Abdominal CT; axial view; 512x512 px
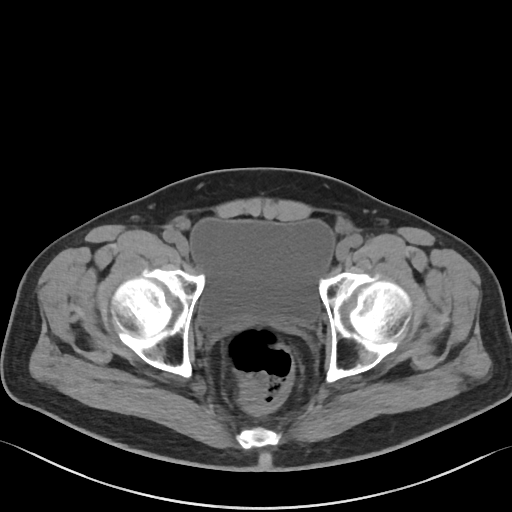 Each box given as x1,y1,x2,y2.
bladder: x1=190, y1=218, x2=334, y2=326